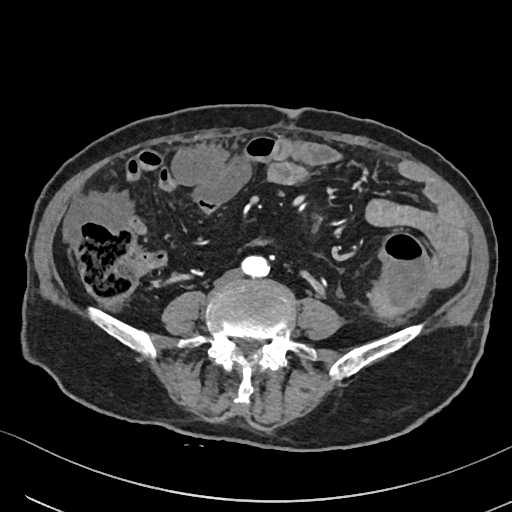

Abdominal CT; axial plane, index 106; acquired on SOMATOM Force
<organs><organ name="aorta" x1="241" y1="256" x2="269" y2="277"/></organs>